Computed tomography, abdomen. Axial slice 83/115. 512x512 px. 55-year-old male patient. acquired on Aquilion ONE
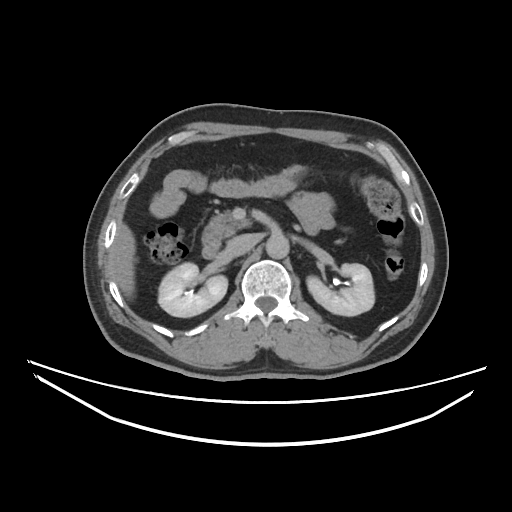

Bounding boxes in pixels, one row per box: x1, y1 is the top-left corner and x2, y2 the bottom-right.
| organ | x1 | y1 | x2 | y2 |
|---|---|---|---|---|
| right kidney | 158 | 261 | 227 | 317 |
| left kidney | 306 | 263 | 374 | 316 |
| liver | 114 | 223 | 135 | 298 |
| aorta | 265 | 232 | 288 | 257 |
| inferior vena cava | 226 | 234 | 253 | 256 |
| pancreas | 202 | 211 | 254 | 245 |
| duodenum | 202 | 234 | 233 | 258 |